Abdominal MRI. Axial slice 41/72
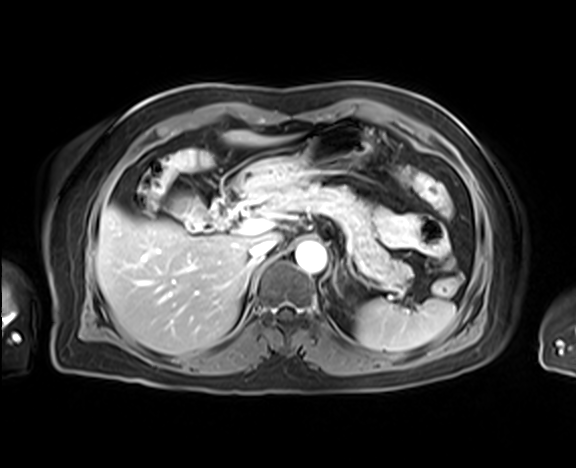
Box edges are left/top/right/bottom in pixels. 10 labeled organs on this slice — pancreas at left=253, top=184, right=413, bottom=291; right adrenal gland at left=241, top=259, right=262, bottom=294; stomach at left=235, top=124, right=370, bottom=199; gall bladder at left=170, top=193, right=207, bottom=220; duodenum at left=211, top=180, right=251, bottom=228; liver at left=95, top=130, right=302, bottom=354; left adrenal gland at left=332, top=258, right=344, bottom=299; spleen at left=356, top=298, right=455, bottom=351; aorta at left=295, top=241, right=326, bottom=272; inferior vena cava at left=249, top=237, right=277, bottom=259.